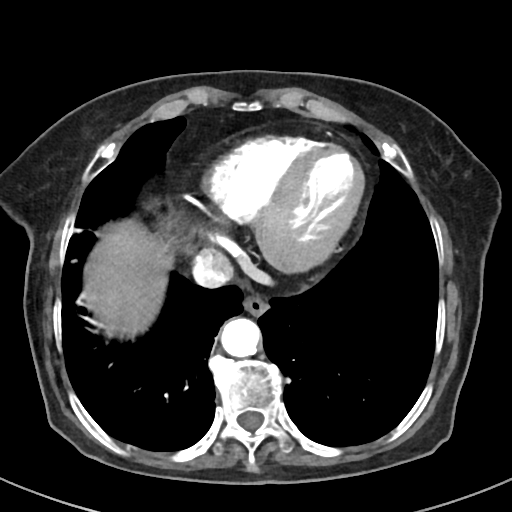
Abdominal CT; axial view; 512x512 px; SOMATOM Force scanner
{"organs":{"esophagus":[243,299,269,316],"liver":[85,224,170,335],"aorta":[220,317,260,357],"inferior vena cava":[189,251,234,288]}}